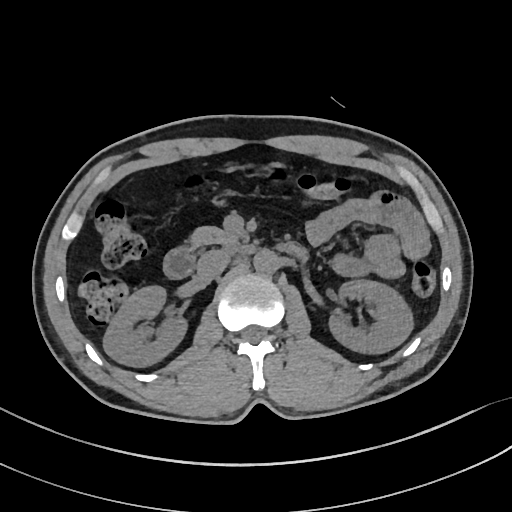
Computed tomography, abdomen · axial view
Box edges are left/top/right/bottom in pixels.
Organ bounding boxes:
- right kidney: left=103, top=286, right=186, bottom=366
- left kidney: left=329, top=279, right=413, bottom=353
- aorta: left=253, top=249, right=278, bottom=273
- inferior vena cava: left=196, top=249, right=230, bottom=280
- pancreas: left=189, top=226, right=236, bottom=248
- duodenum: left=163, top=239, right=307, bottom=279